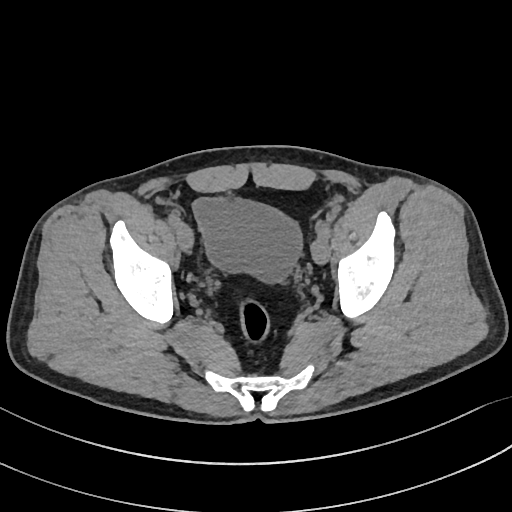
Computed tomography, abdomen · Axial slice 52/228 · 512x512 px
Boxes are (x1, y1, x2, y2) in pixels. The annotated organs in this slice are: bladder at (192, 197, 302, 282).